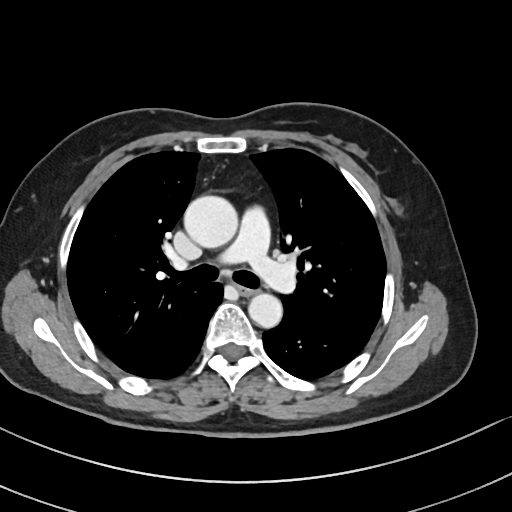 Abdominal CT reaching into the chest; this slice is in the chest — axial view — soft-tissue window
At this level of the chest no structure but the esophagus and the aorta has a label in this dataset, and those two are boxed only where they are labeled. Box edges are left/top/right/bottom in pixels. 2 labeled organs on this slice — esophagus at left=239, top=286, right=256, bottom=295; aorta at left=183, top=195, right=238, bottom=248; aorta at left=248, top=293, right=282, bottom=328.